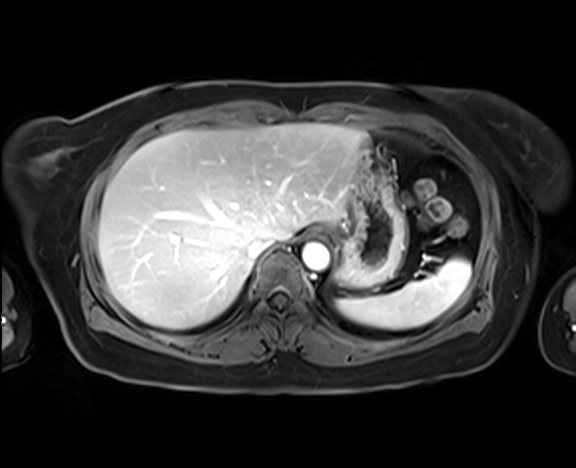
MRI, abdomen · axial view · 1st–99th percentile window
Coordinates as <box>x1,y1,x2,y2</box> in pixels. The annotated organs in this slice are: spleen at <box>337,258,470,329</box>, esophagus at <box>309,228,325,236</box>, liver at <box>99,124,366,329</box>, stomach at <box>334,148,407,287</box>, aorta at <box>302,243,329,270</box>, inferior vena cava at <box>247,237,275,260</box>.